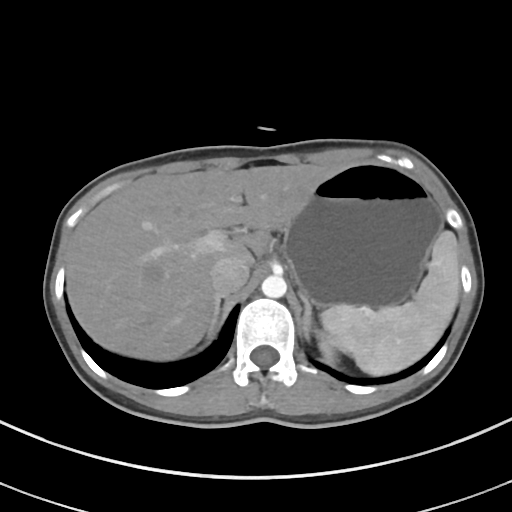 Abdominal CT; axial view; 512x512 px
{"organs":{"liver":[67,164,343,360],"stomach":[283,161,442,307],"spleen":[321,230,459,375],"inferior vena cava":[210,256,249,296],"right adrenal gland":[208,300,220,333],"left adrenal gland":[298,292,311,338],"left kidney":[319,332,338,357],"aorta":[261,275,286,298]}}